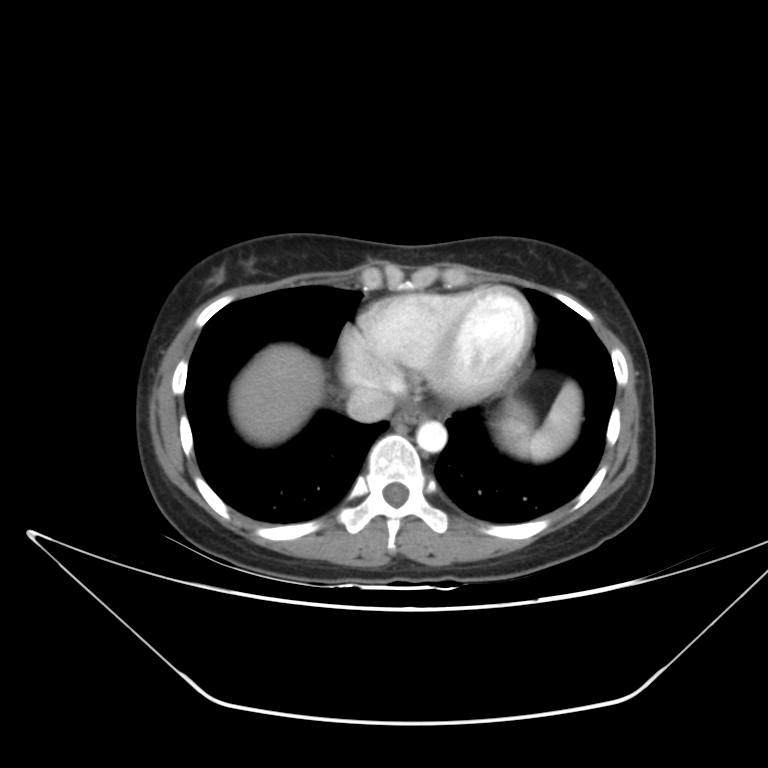
Abdominal CT — axial plane, index 36 — abdomen soft-tissue window — 34-year-old female patient
<organs><organ name="spleen" x1="494" y1="382" x2="581" y2="460"/><organ name="esophagus" x1="394" y1="405" x2="427" y2="426"/><organ name="liver" x1="231" y1="344" x2="534" y2="444"/><organ name="aorta" x1="416" y1="421" x2="447" y2="452"/><organ name="inferior vena cava" x1="346" y1="386" x2="395" y2="422"/></organs>